Abdominal CT; this slice is in the lower chest, just above the liver. axial view. acquired on Brilliance16
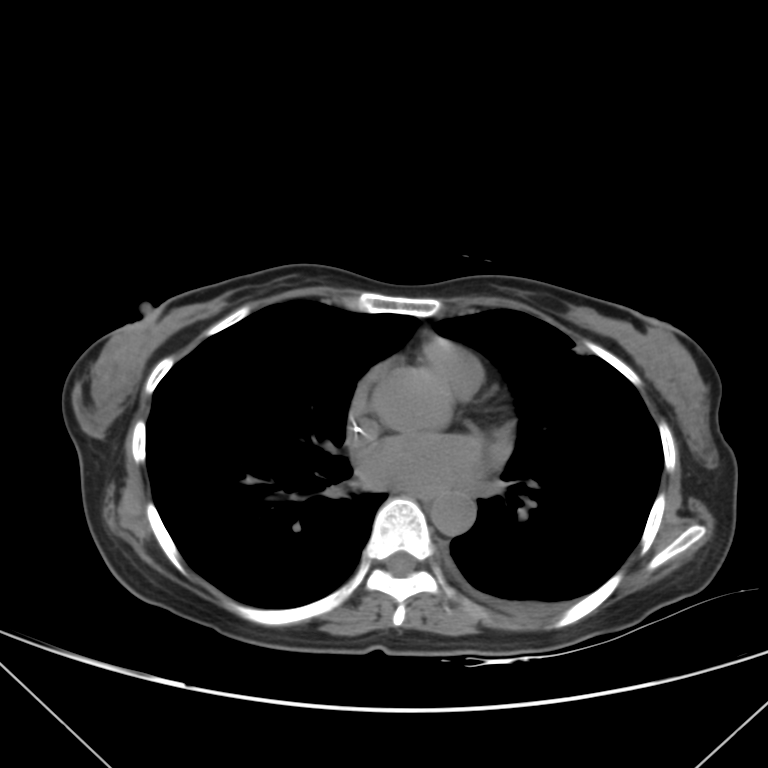
The heart and lungs are never labeled in this dataset, so they have no box on this slice. Bounding boxes as [x1, y1, x2, y2] in pixel coordinates. Labeled organs on this slice: esophagus at [412, 490, 448, 500], aorta at [431, 492, 474, 535].